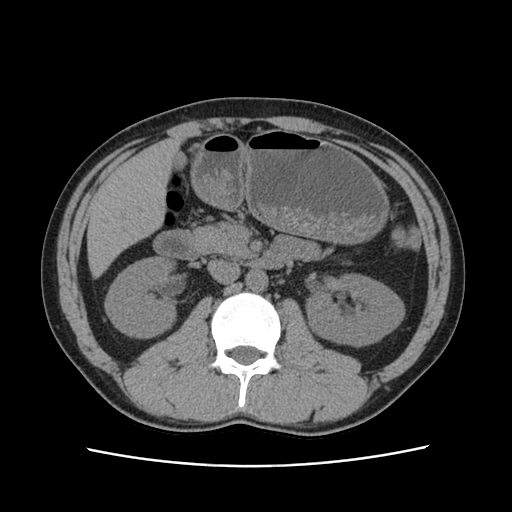

Abdominal CT. axial view. soft-tissue window (W 400 / L 40). acquired on SOMATOM Force
Each box given as x1,y1,x2,y2.
Organ bounding boxes:
- right kidney: x1=104, y1=256, x2=176, y2=337
- left kidney: x1=306, y1=274, x2=404, y2=346
- gall bladder: x1=172, y1=152, x2=186, y2=170
- liver: x1=86, y1=138, x2=181, y2=278
- stomach: x1=191, y1=129, x2=388, y2=243
- aorta: x1=245, y1=269, x2=267, y2=291
- inferior vena cava: x1=207, y1=260, x2=240, y2=283
- pancreas: x1=190, y1=226, x2=249, y2=257
- duodenum: x1=153, y1=230, x2=292, y2=269